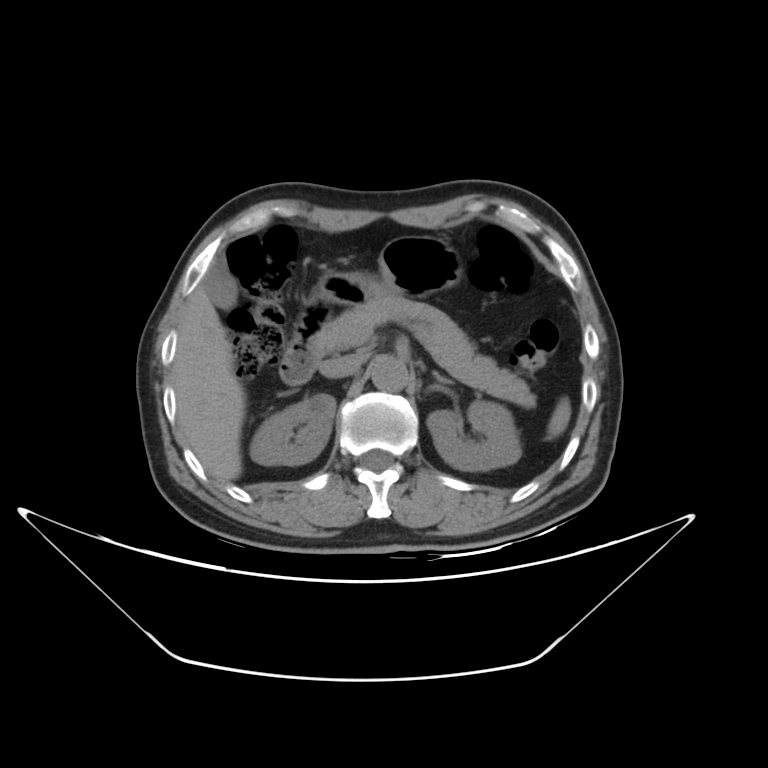 Abdominal CT; axial plane, index 78; abdomen soft-tissue window; 768x768 px
Boxes are (x1, y1, x2, y2) in pixels. 11 labeled organs on this slice — gall bladder at (205, 256, 237, 310); right kidney at (250, 396, 334, 466); pancreas at (323, 296, 534, 407); duodenum at (281, 271, 377, 384); aorta at (372, 354, 408, 394); left kidney at (428, 401, 519, 469); liver at (172, 281, 244, 483); left adrenal gland at (430, 371, 459, 388); spleen at (547, 399, 571, 439); stomach at (375, 235, 463, 298); inferior vena cava at (321, 353, 363, 376).